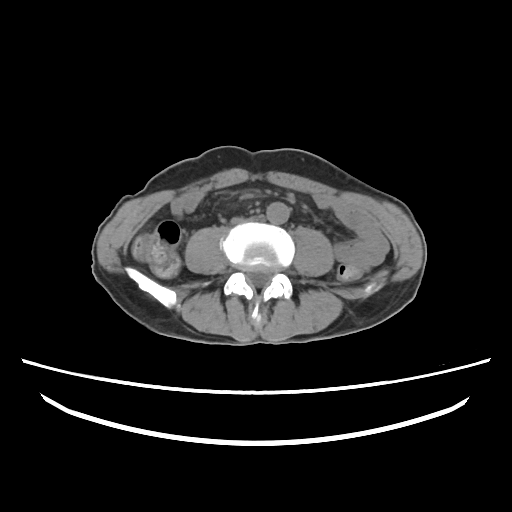
Computed tomography, abdomen. axial plane, index 48. 54-year-old male patient. acquired on Aquilion ONE
Organ boxes in pixel coordinates; each row gives the top-left (x1, y1) and bottom-right (x2, y2) corners.
| organ | x1 | y1 | x2 | y2 |
|---|---|---|---|---|
| aorta | 267 | 202 | 289 | 224 |